Abdominal CT · Axial slice 107/302
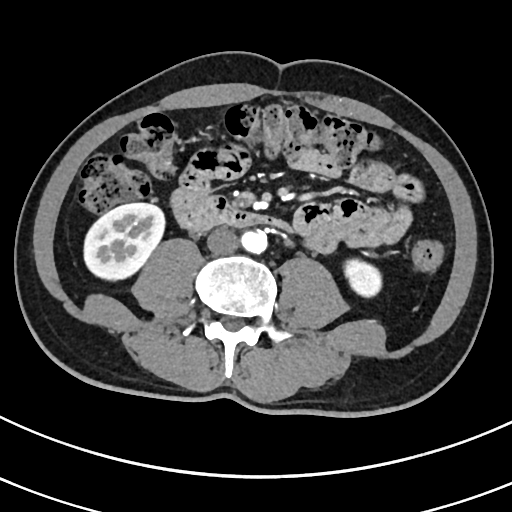
{"organs":{"duodenum":[174,198,292,230],"right kidney":[83,203,164,279],"left kidney":[344,259,381,296],"aorta":[241,230,267,253],"inferior vena cava":[206,227,238,254]}}